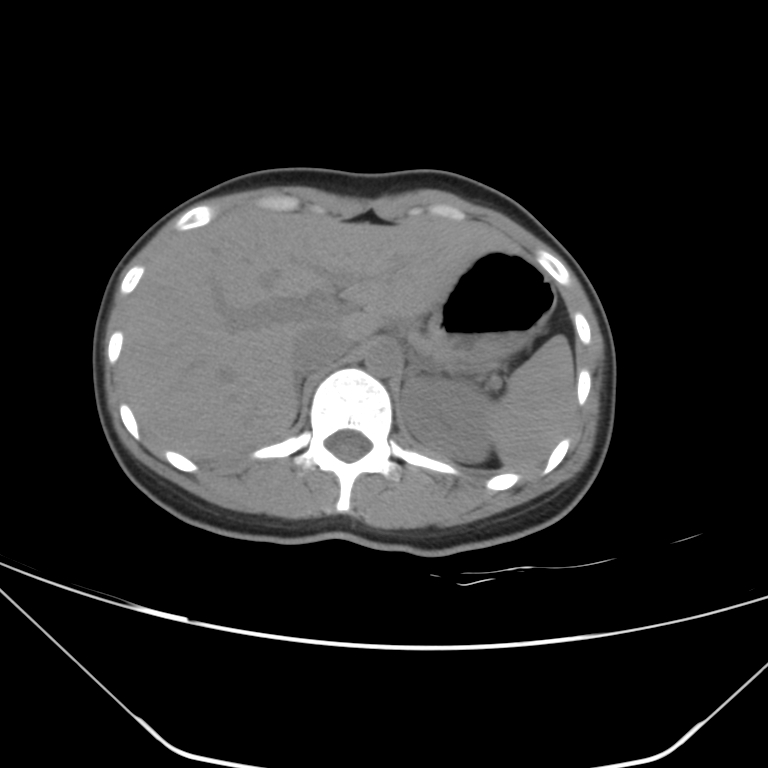

CT, abdomen/pelvis. axial view
Coordinates as <box>x1,y1,x2,y2</box> in pixels.
left adrenal gland: <box>406,349,433,380</box>
right adrenal gland: <box>295,376,301,411</box>
left kidney: <box>399,378,491,463</box>
stomach: <box>423,250,556,370</box>
liver: <box>120,211,515,460</box>
spleen: <box>488,335,575,470</box>
aorta: <box>364,342,399,377</box>
inferior vena cava: <box>292,326,351,374</box>